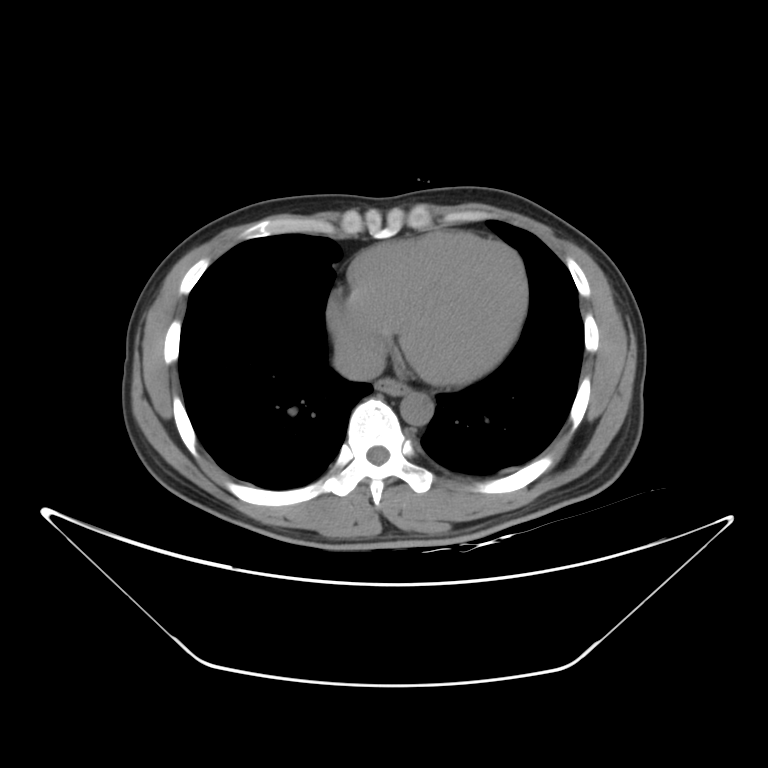 Lower-chest slice from an abdominal CT, just above the liver and spleen — axial view — soft-tissue window
No part of the heart or lungs is labeled in this dataset, so neither has a box here.
One row per box, in pixels: columns x1 and y1 give the top-left corner, x2 and y2 the bottom-right.
| organ | x1 | y1 | x2 | y2 |
|---|---|---|---|---|
| esophagus | 376 | 378 | 410 | 395 |
| aorta | 400 | 391 | 433 | 425 |
| inferior vena cava | 333 | 339 | 384 | 380 |